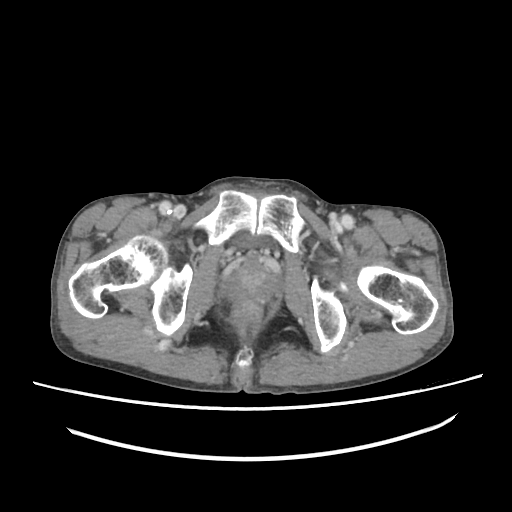
CT, abdomen/pelvis; axial plane, index 7; abdomen soft-tissue window; 59-year-old male patient; Aquilion ONE scanner
Boxes: x1 y1 x2 y2 (pixel coords, space-separated).
Organ bounding boxes:
- bladder: 237 235 255 247
- prostate/uterus: 226 257 277 302